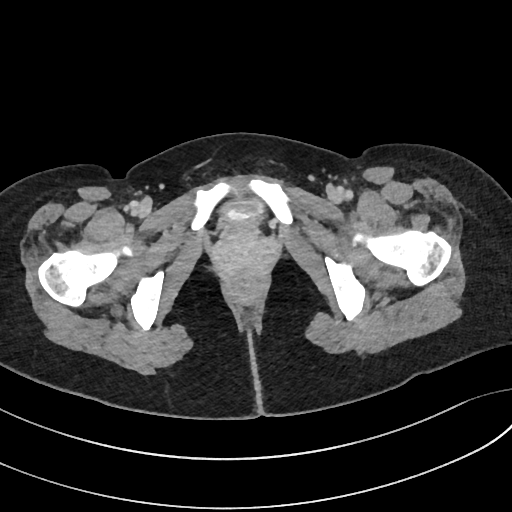 CT, abdomen/pelvis — axial view — abdomen soft-tissue window
Organ boxes in pixel coordinates; each row gives the top-left (x1, y1) and bottom-right (x2, y2) corners.
| organ | x1 | y1 | x2 | y2 |
|---|---|---|---|---|
| bladder | 223 | 198 | 264 | 223 |